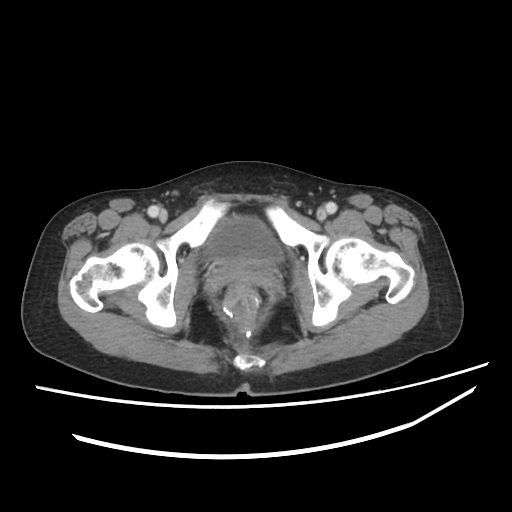
CT abdomen · axial view · 15 organs annotated in this scan (a whole-scan count: organs this slice does not pass through have no box)
<organs><organ name="bladder" x1="205" y1="216" x2="282" y2="263"/></organs>